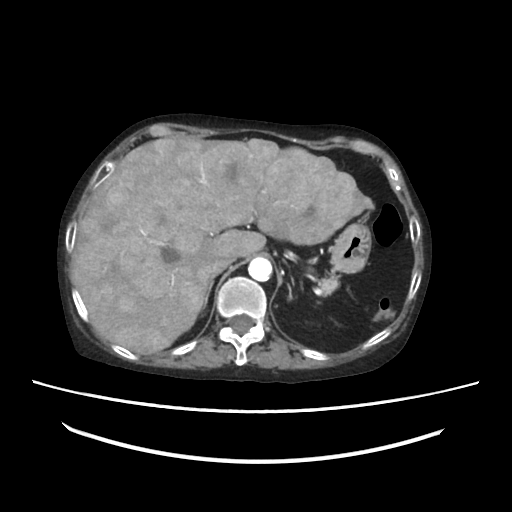 Computed tomography, abdomen · axial view
{"organs":{"inferior vena cava":[211,257,231,277],"aorta":[249,257,273,281],"stomach":[331,223,369,271],"left adrenal gland":[289,286,292,299],"liver":[72,138,374,354],"pancreas":[315,279,335,293],"right adrenal gland":[202,280,213,309]}}